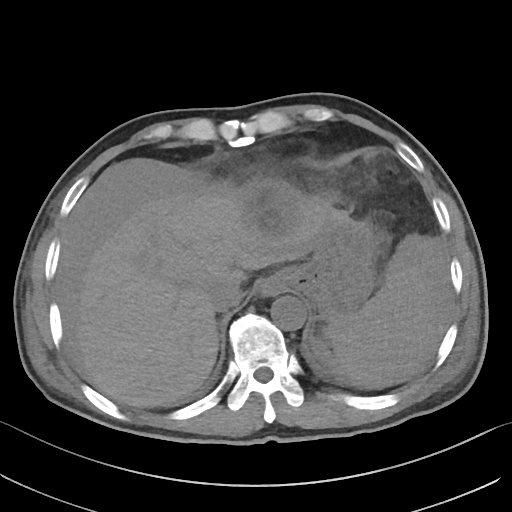
Abdominal CT · axial view · soft-tissue window (W 400 / L 40) · acquired on SOMATOM Force
{"organs":{"stomach":[272,217,378,318],"spleen":[324,262,437,387],"aorta":[270,295,306,330],"esophagus":[259,277,281,294],"liver":[76,179,348,407],"inferior vena cava":[208,283,242,312]}}